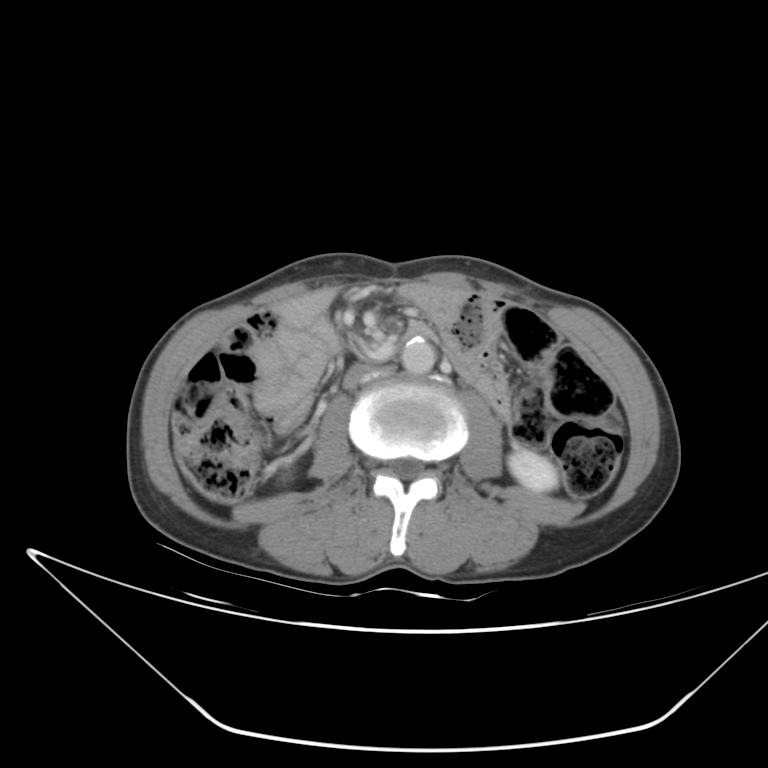
Computed tomography, abdomen. Axial slice 24/104. soft-tissue window (W 400 / L 40). 62-year-old male patient. 13 organs annotated in this scan (that count is for the whole scan; organs this slice misses have no box)
<organs><organ name="left kidney" x1="510" y1="452" x2="561" y2="492"/><organ name="aorta" x1="401" y1="338" x2="435" y2="375"/><organ name="inferior vena cava" x1="342" y1="364" x2="393" y2="390"/></organs>